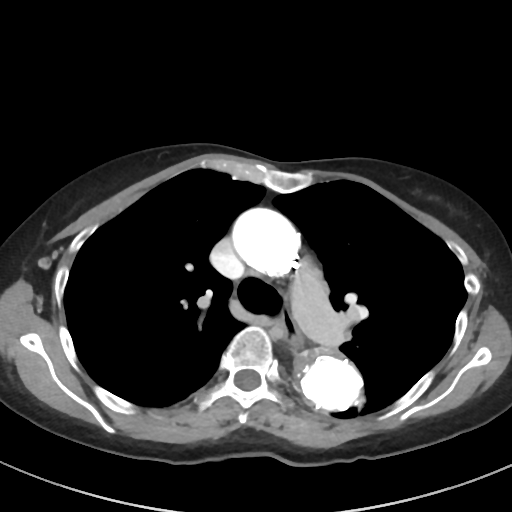

Abdominal CT reaching into the chest; this slice is in the chest. Axial slice 98/116. W/L 400/40 HU. 512x512 px
At this level of the chest this dataset labels only the esophagus and the aorta, and each is boxed only where it is labeled; the heart and lungs are never labeled. Each box given as x1,y1,x2,y2. The annotated organs in this slice are: esophagus at x1=283, y1=312, x2=302, y2=347, aorta at x1=292, y1=347, x2=363, y2=413, aorta at x1=232, y1=208, x2=300, y2=275.